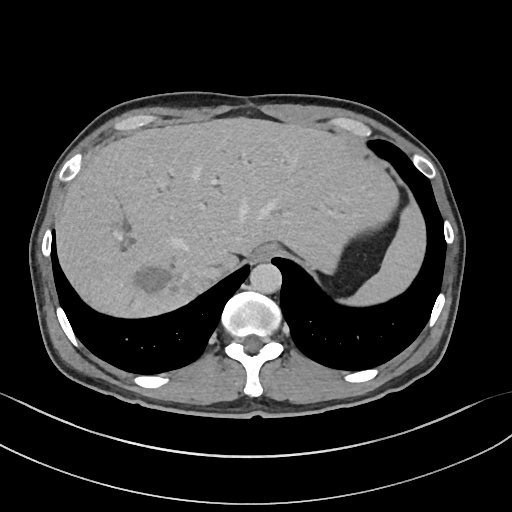
Computed tomography, abdomen · axial view · 512x512 px · SOMATOM Force scanner · 14 organs annotated in this scan (counted over the whole 3D scan, not this slice; an organ is boxed only where this slice passes through it)
Boxes are (x1, y1, x2, y2) in pixels.
spleen: (346, 202, 426, 306)
esophagus: (252, 244, 279, 261)
liver: (55, 118, 399, 319)
aorta: (250, 262, 282, 293)
inferior vena cava: (192, 265, 220, 288)